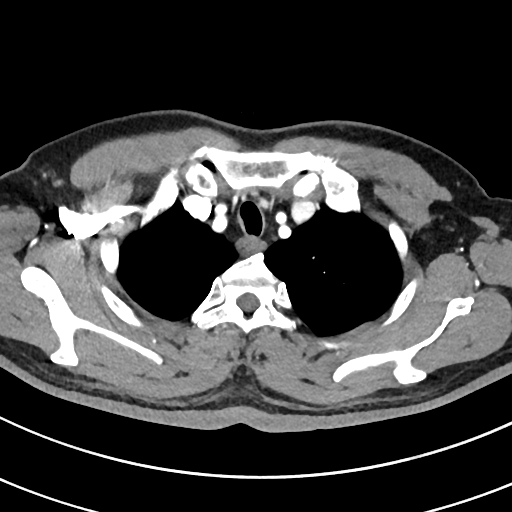
Abdominal CT reaching into the chest; this slice is in the chest. axial view. soft-tissue window, W/L 400/40. 512x512 px
At this level of the chest this dataset labels only the esophagus and the aorta, and each is boxed only where it is labeled; the heart and lungs are never labeled.
{"organs":{"esophagus":[238,236,263,252]}}